Magnetic resonance imaging, abdomen — axial view — percentile-normalized — 288x232 px — Prisma scanner
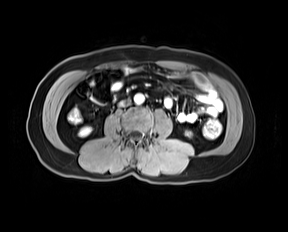

Boxes are (x1, y1, x2, y2) in pixels.
right kidney: (79, 126, 91, 136)
left kidney: (186, 132, 190, 135)
aorta: (134, 93, 144, 103)
inferior vena cava: (118, 100, 129, 106)